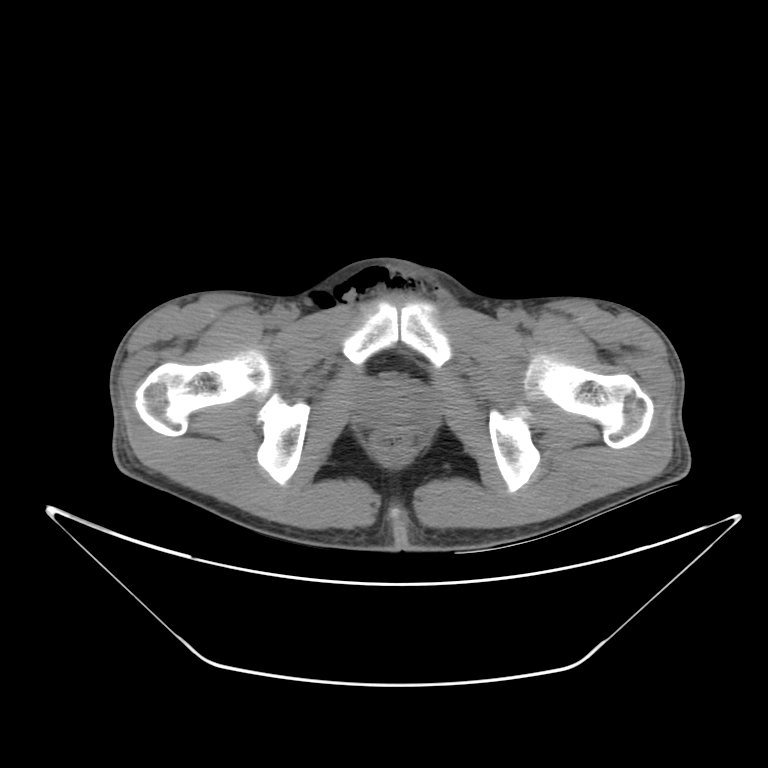
Abdominal CT; axial plane, index 12; soft-tissue window; 33-year-old male patient; acquired on Brilliance16
Each box given as x1,y1,x2,y2.
prostate/uterus: x1=363, y1=385, x2=424, y2=428